MRI, abdomen — axial plane, index 47 — 1st–99th percentile window
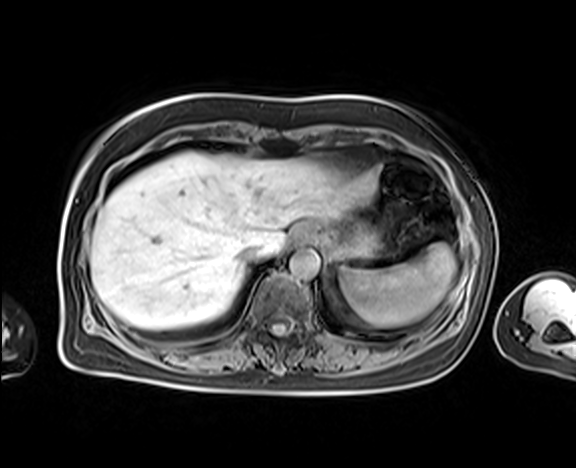
Bounding boxes in pixels, one row per box: x1, y1 is the top-left corner and x2, y2 the bottom-right.
| organ | x1 | y1 | x2 | y2 |
|---|---|---|---|---|
| spleen | 340 | 243 | 456 | 326 |
| liver | 90 | 151 | 378 | 329 |
| inferior vena cava | 238 | 244 | 263 | 264 |
| esophagus | 290 | 225 | 310 | 245 |
| aorta | 289 | 250 | 319 | 278 |
| stomach | 304 | 221 | 380 | 260 |